Computed tomography, abdomen; axial view; 15 organs annotated in this scan (that count is for the whole scan; organs this slice misses have no box)
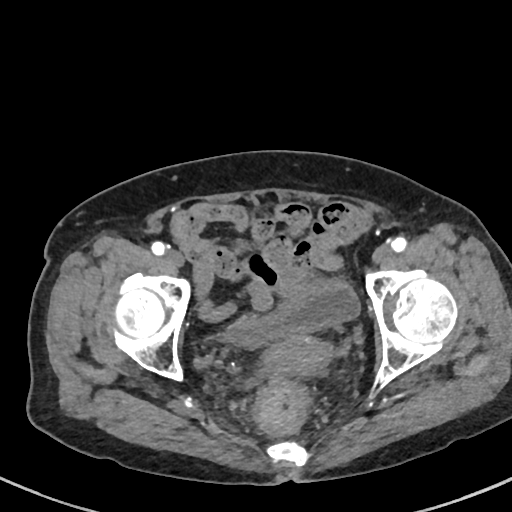

{"organs":{"prostate/uterus":[265,335,335,374],"bladder":[226,281,359,347]}}